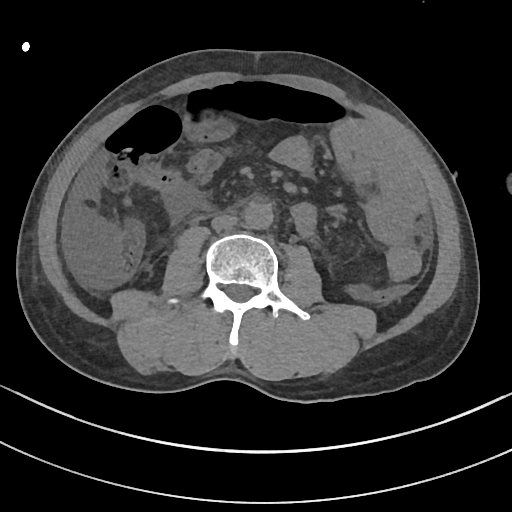

Abdominal CT. axial view. abdomen soft-tissue window. 512x512 px. 15 organs annotated in this scan (that count is for the whole scan; organs this slice misses have no box)
Boxes: x1 y1 x2 y2 (pixel coords, space-separated). The annotated organs in this slice are: aorta at 244 203 273 229, inferior vena cava at 211 214 237 230.